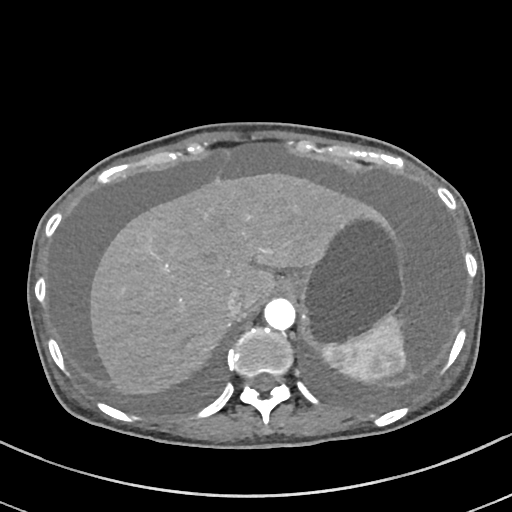 Abdominal CT; axial view; 15 organs annotated in this scan (that count is for the whole scan; organs this slice misses have no box)
{"organs":{"aorta":[264,298,295,329],"liver":[89,172,369,397],"spleen":[321,315,406,381],"inferior vena cava":[225,288,246,317],"stomach":[281,210,403,348]}}